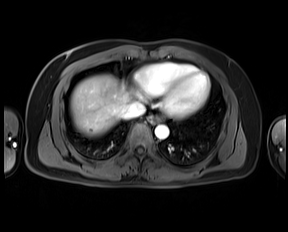

MRI, abdomen. axial view. percentile-normalized. 13 organs annotated in this scan (counted over the whole 3D scan, not this slice; an organ is boxed only where this slice passes through it)
Box edges are left/top/right/bottom in pixels.
inferior vena cava: left=123, top=101, right=145, bottom=118
liver: left=70, top=74, right=132, bottom=136
esophagus: left=148, top=116, right=162, bottom=123
aorta: left=155, top=125, right=168, bottom=139